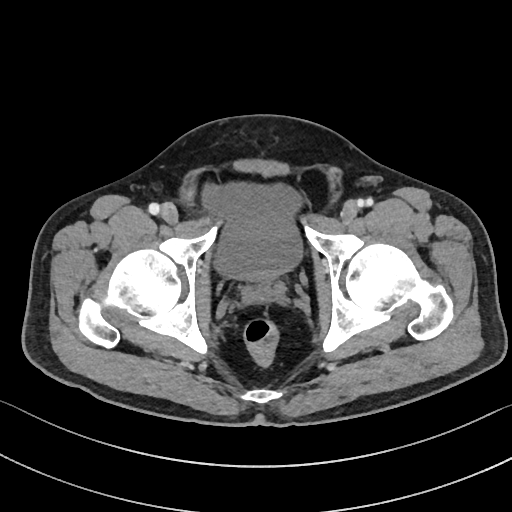

CT abdomen · axial plane, index 30 · abdomen soft-tissue window · 15 organs annotated in this scan (a whole-scan count: organs this slice does not pass through have no box)
{"organs":{"bladder":[201,183,303,280]}}